Lower-chest slice from an abdominal CT, just above the liver and spleen — Axial slice 196/280 — W/L 400/40 HU — 15 organs annotated in this scan (a whole-scan count: organs this slice does not pass through have no box)
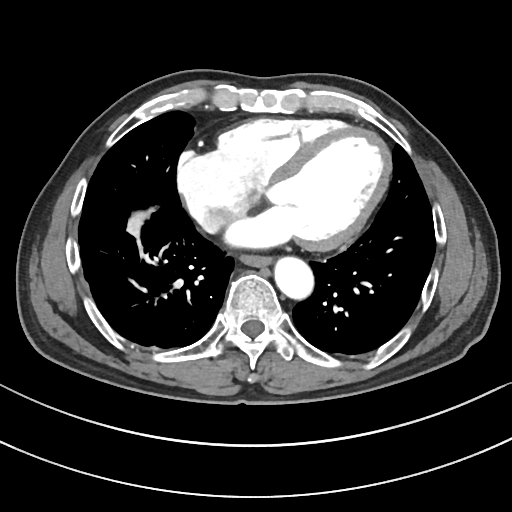
Of the structures in the chest, this dataset labels only the esophagus, the aorta and the inferior vena cava; the heart and lungs have no label. Coordinates as <box>x1,y1,x2,y2</box> in pixels. The annotated organs in this slice are: esophagus at <box>242,256,274,267</box>, aorta at <box>275,258,314,300</box>, inferior vena cava at <box>195,206,238,232</box>.